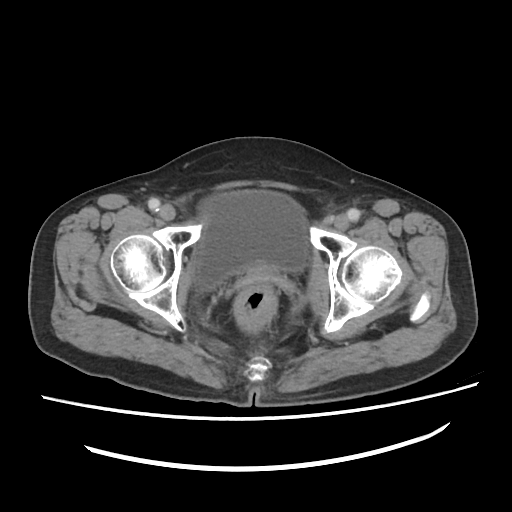

CT, abdomen/pelvis · Axial slice 17/128 · 512x512 px · Aquilion ONE scanner · 14 organs annotated in this scan (counted over the whole 3D scan, not this slice; an organ is boxed only where this slice passes through it)
Bounding boxes in pixels, one row per box: x1, y1 is the top-left corner and x2, y2 the bottom-right.
| organ | x1 | y1 | x2 | y2 |
|---|---|---|---|---|
| bladder | 195 | 191 | 307 | 286 |